Abdominal MRI — axial view — 1st–99th percentile window — 576x468 px
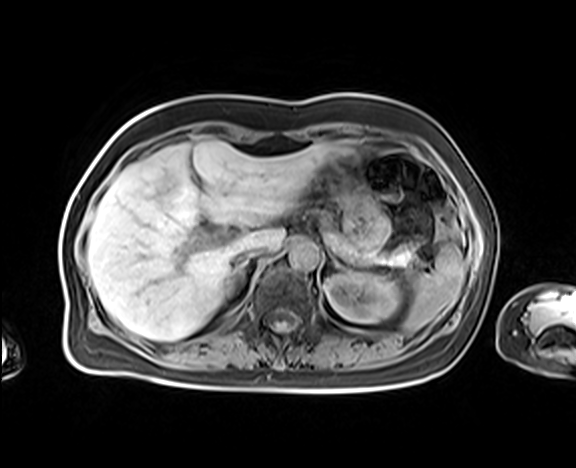 Boxes: x1:y1:x2:y2 in pixels.
spleen: 403:245:464:331
left kidney: 325:272:400:323
liver: 87:140:355:340
stomach: 322:158:393:253
aorta: 289:240:319:268
inferior vena cava: 232:244:268:266
pancreas: 326:236:415:267
right adrenal gland: 233:262:246:275